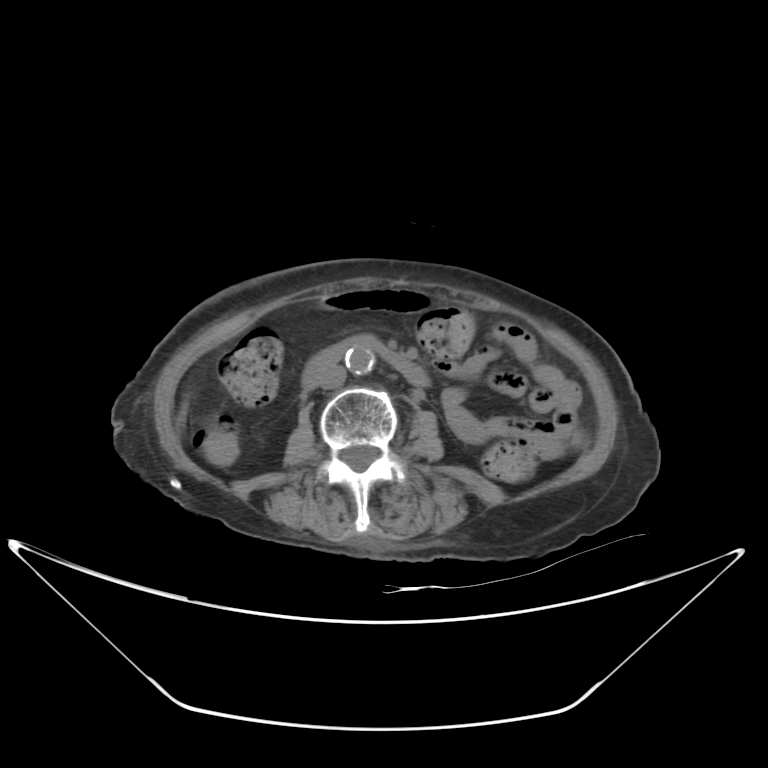

Computed tomography, abdomen. axial view. 768x768 px. female patient aged 90 or older
Bounding boxes as [x1, y1, x2, y2] in pixel coordinates.
aorta: [344, 346, 375, 375]
inferior vena cava: [316, 365, 346, 389]
duodenum: [301, 337, 427, 389]